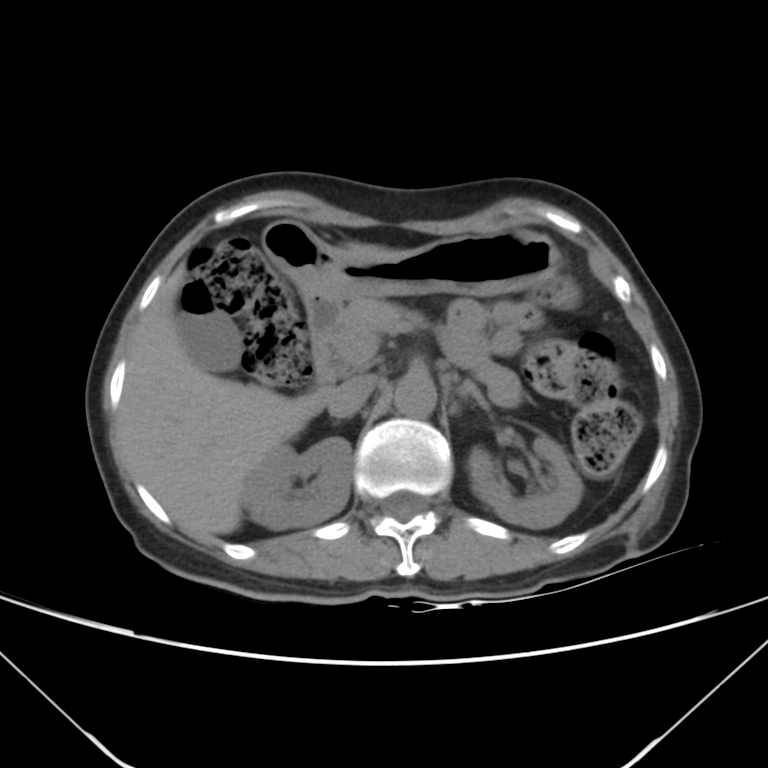 CT, abdomen/pelvis; Axial slice 71/92; acquired on Brilliance16
<organs><organ name="liver" x1="119" y1="243" x2="407" y2="535"/><organ name="left adrenal gland" x1="461" y1="381" x2="489" y2="411"/><organ name="inferior vena cava" x1="328" y1="375" x2="374" y2="418"/><organ name="right kidney" x1="243" y1="436" x2="352" y2="528"/><organ name="pancreas" x1="330" y1="298" x2="423" y2="374"/><organ name="left kidney" x1="468" y1="436" x2="582" y2="528"/><organ name="stomach" x1="262" y1="222" x2="561" y2="308"/><organ name="gall bladder" x1="178" y1="312" x2="242" y2="371"/><organ name="aorta" x1="394" y1="372" x2="435" y2="416"/><organ name="duodenum" x1="304" y1="298" x2="338" y2="413"/></organs>